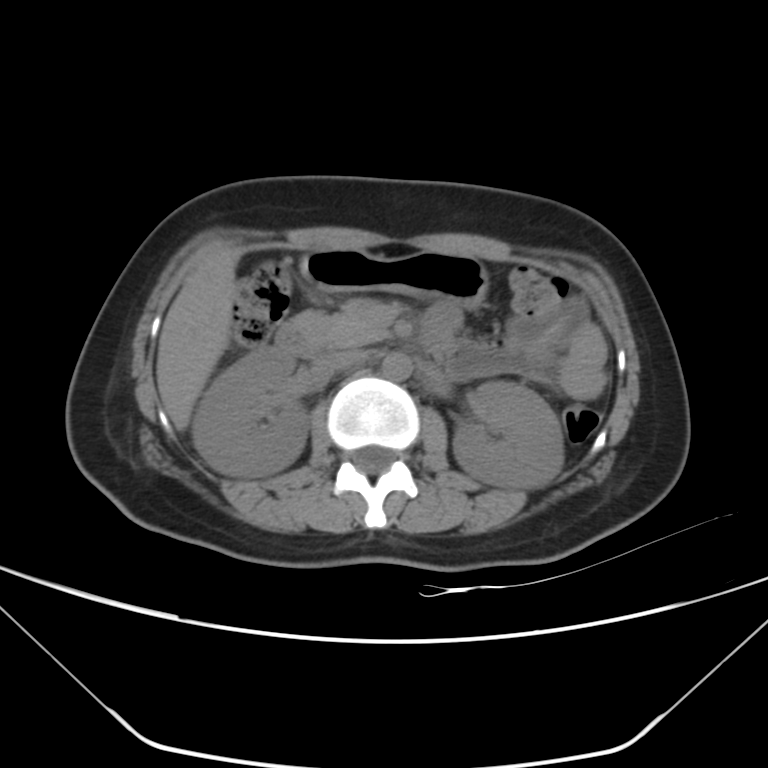

CT, abdomen/pelvis — axial view — 768x768 px — acquired on Brilliance16
Box edges are left/top/right/bottom in pixels.
right kidney: left=191, top=347, right=309, bottom=476
left kidney: left=453, top=381, right=564, bottom=490
liver: left=156, top=245, right=239, bottom=430
stomach: left=299, top=249, right=488, bottom=309
aorta: left=382, top=352, right=412, bottom=381
inferior vena cava: left=320, top=350, right=366, bottom=371
pancreas: left=291, top=299, right=388, bottom=346
duodenum: left=274, top=321, right=317, bottom=358